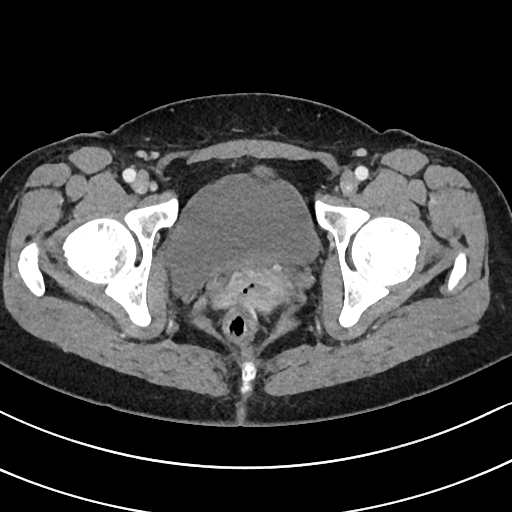
CT abdomen · axial view · acquired on SOMATOM Force · 15 organs annotated in this scan (a whole-scan count: organs this slice does not pass through have no box)
{"organs":{"bladder":[165,173,319,298],"prostate/uterus":[233,278,291,311]}}